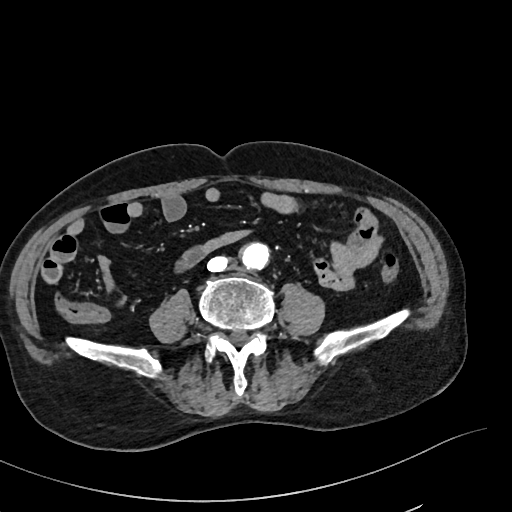 Computed tomography, abdomen. axial view. soft-tissue window (W 400 / L 40)
Box edges are left/top/right/bottom in pixels.
Organ bounding boxes:
- aorta: left=242, top=242, right=269, bottom=269
- inferior vena cava: left=206, top=256, right=228, bottom=273